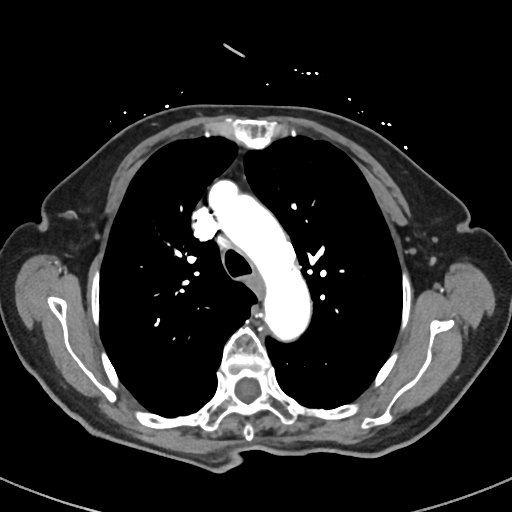
Abdominal CT reaching into the chest; this slice is in the chest. axial view
On a slice this high in the chest, this dataset labels only the esophagus and the aorta, and each is boxed only where it is labeled; the heart, lungs and other chest structures are not labeled.
{"organs":{"esophagus":[250,275,265,296],"aorta":[210,181,311,343]}}